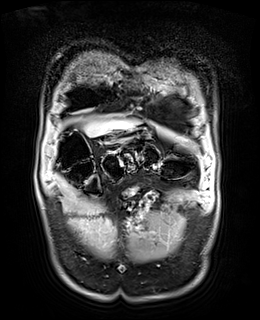
Abdominal MRI · coronal plane, index 122 · 1st–99th percentile window
Each box given as x1,y1,x2,y2.
Organ bounding boxes:
- liver: x1=84, y1=120, x2=137, y2=136
- stomach: x1=104, y1=127, x2=148, y2=147